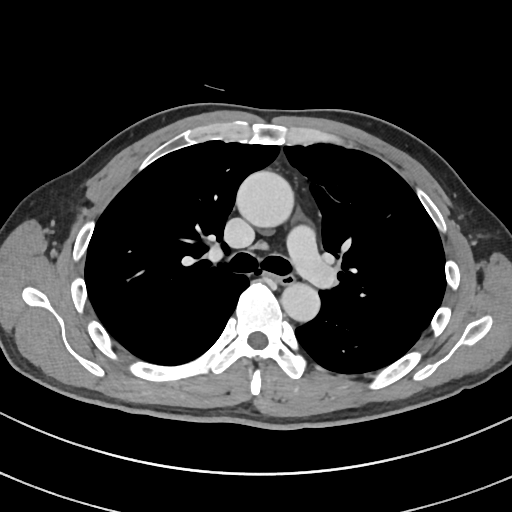 Abdominal CT reaching into the chest; this slice is in the chest. axial view. SOMATOM Force scanner
On a slice this high in the chest, this dataset labels only the esophagus and the aorta, and each is boxed only where it is labeled; the heart, lungs and other chest structures are not labeled.
Bounding boxes as [x1, y1, x2, y2] in pixel coordinates.
esophagus: [272, 272, 294, 284]
aorta: [236, 171, 294, 228]
aorta: [281, 282, 319, 321]